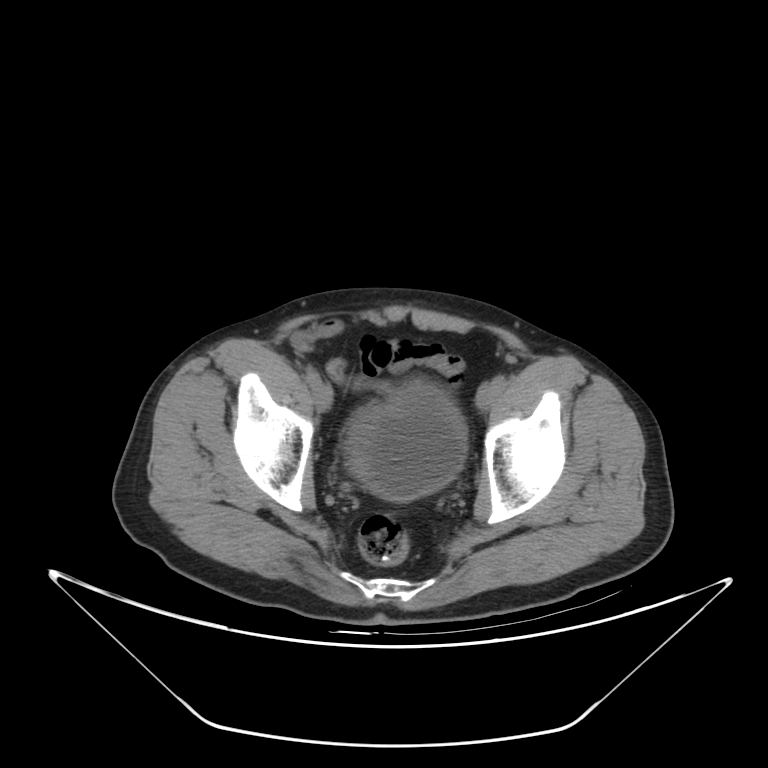
CT, abdomen/pelvis. axial view. soft-tissue window. 768x768 px. 59-year-old male patient
Boxes: x1:y1:x2:y2 in pixels.
bladder: 345:380:466:500